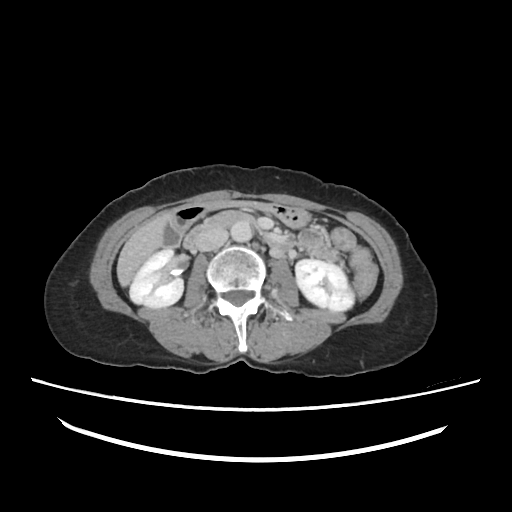 Computed tomography, abdomen; axial plane, index 49; 512x512 px; 54-year-old female patient; scan has 15 labeled organs (that count is for the whole scan; organs this slice misses have no box)
{"organs":{"right kidney":[130,248,183,308],"inferior vena cava":[198,227,227,251],"duodenum":[185,210,293,249],"stomach":[173,200,310,228],"gall bladder":[161,218,180,248],"liver":[117,209,173,287],"aorta":[230,220,252,241],"left kidney":[295,259,355,310]}}